CT of the abdomen reaching into the lower chest, slice just above the liver and spleen. axial plane, index 196. soft-tissue window, W/L 400/40. 512x512 px. acquired on SOMATOM Force. scan has 15 labeled organs (counted over the whole 3D scan, not this slice; an organ is boxed only where this slice passes through it)
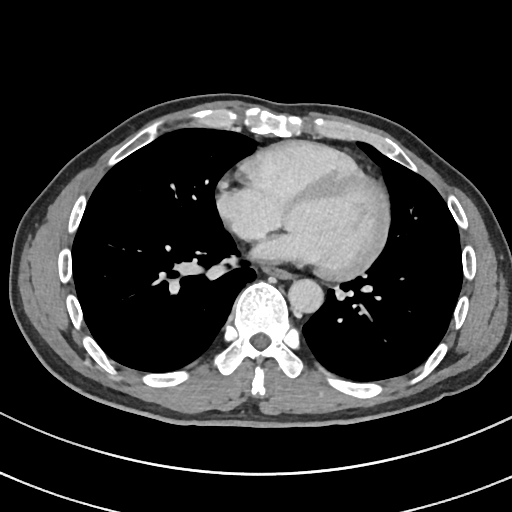 No part of the heart or lungs is labeled in this dataset, so neither has a box here.
One row per box, in pixels: columns x1 and y1 give the top-left corner, x2 and y2 the bottom-right.
| organ | x1 | y1 | x2 | y2 |
|---|---|---|---|---|
| aorta | 288 | 279 | 323 | 313 |
| esophagus | 263 | 266 | 291 | 278 |